Computed tomography, abdomen — axial plane, index 71 — abdomen soft-tissue window — 31-year-old female patient
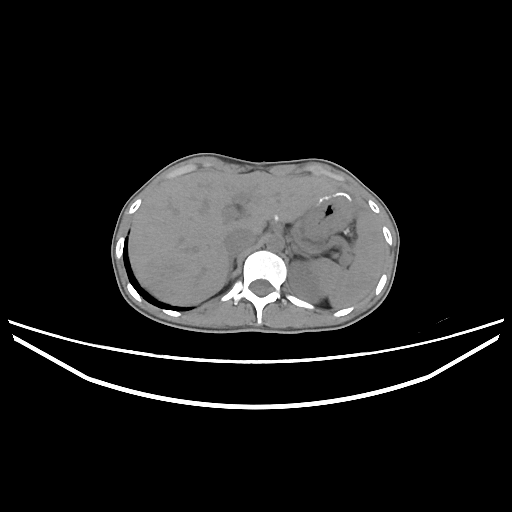 Boxes are (x1, y1, x2, y2) in pixels.
spleen: (309, 210, 386, 308)
left kidney: (288, 261, 322, 302)
liver: (128, 171, 338, 305)
stomach: (301, 190, 353, 240)
aorta: (266, 235, 283, 251)
inferior vena cava: (224, 228, 256, 256)
right adrenal gland: (229, 258, 233, 275)
left adrenal gland: (290, 245, 309, 257)